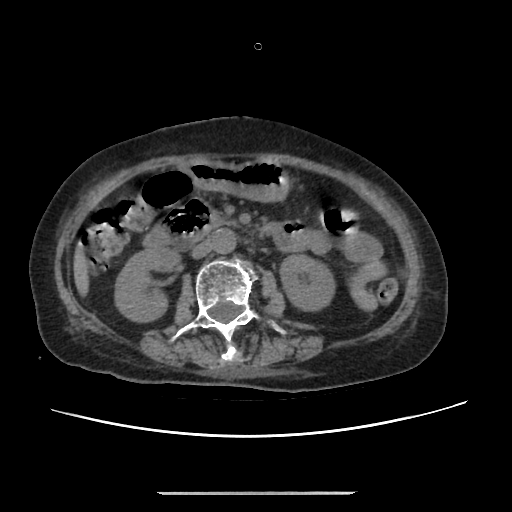 CT, abdomen/pelvis; Axial slice 216/353; 512x512 px
{"organs":{"liver":[73,246,88,294],"left kidney":[280,255,334,309],"stomach":[188,160,288,201],"duodenum":[144,198,211,247],"pancreas":[211,212,237,225],"right kidney":[115,246,181,321],"aorta":[212,228,236,253],"inferior vena cava":[192,239,213,258]}}